CT, abdomen/pelvis — axial view — soft-tissue window (W 400 / L 40) — 512x512 px
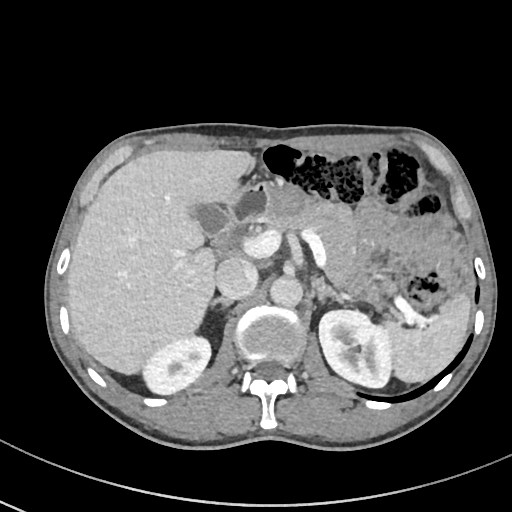
<organs><organ name="liver" x1="66" y1="148" x2="256" y2="375"/><organ name="gall bladder" x1="189" y1="204" x2="226" y2="237"/><organ name="inferior vena cava" x1="215" y1="257" x2="258" y2="299"/><organ name="pancreas" x1="273" y1="203" x2="359" y2="291"/><organ name="aorta" x1="270" y1="276" x2="303" y2="307"/><organ name="stomach" x1="262" y1="182" x2="310" y2="218"/><organ name="spleen" x1="381" y1="293" x2="471" y2="382"/><organ name="right kidney" x1="143" y1="338" x2="210" y2="393"/><organ name="left adrenal gland" x1="314" y1="277" x2="344" y2="304"/><organ name="left kidney" x1="319" y1="311" x2="393" y2="388"/><organ name="duodenum" x1="227" y1="182" x2="267" y2="224"/><organ name="right adrenal gland" x1="210" y1="298" x2="233" y2="310"/></organs>